Abdominal CT reaching into the chest; this slice is in the chest · axial plane, index 327 · SOMATOM Force scanner · 15 organs annotated in this scan (counted over the whole 3D scan, not this slice; an organ is boxed only where this slice passes through it)
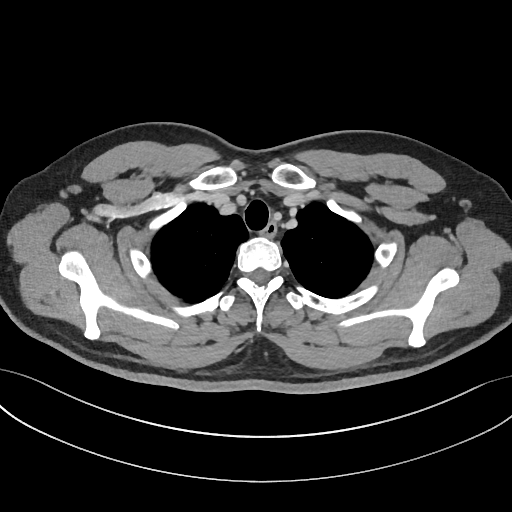
On a slice this high in the chest, this dataset labels only the esophagus and the aorta, and each is boxed only where it is labeled; the heart, lungs and other chest structures are not labeled.
<organs><organ name="esophagus" x1="265" y1="223" x2="276" y2="235"/></organs>